Chest-level CT slice, above the liver and spleen — Axial slice 120/132 — 512x512 px — Aquilion ONE scanner
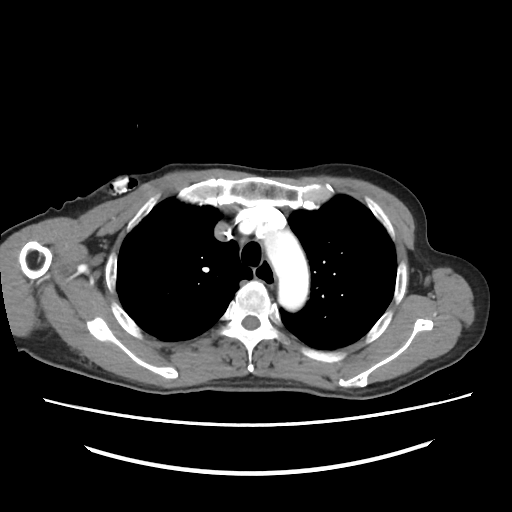 At this level of the chest this dataset labels only the esophagus and the aorta, and each is boxed only where it is labeled; the heart and lungs are never labeled.
{"organs":{"esophagus":[254,259,276,289],"aorta":[263,231,310,311]}}